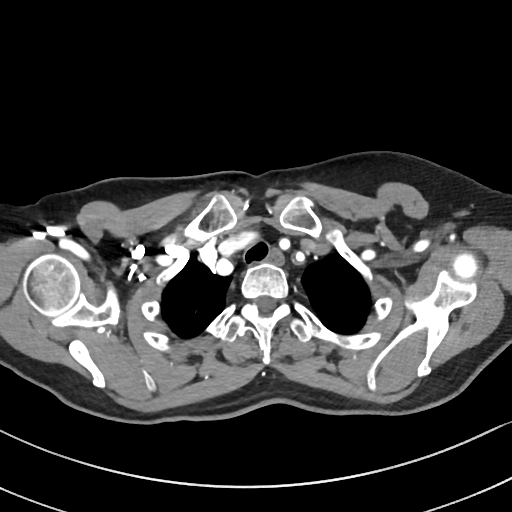 Chest-level CT slice, above the liver and spleen — axial view
At this level of the chest this dataset labels only the esophagus and the aorta, and each is boxed only where it is labeled; the heart and lungs are never labeled.
<organs><organ name="esophagus" x1="267" y1="248" x2="284" y2="263"/></organs>